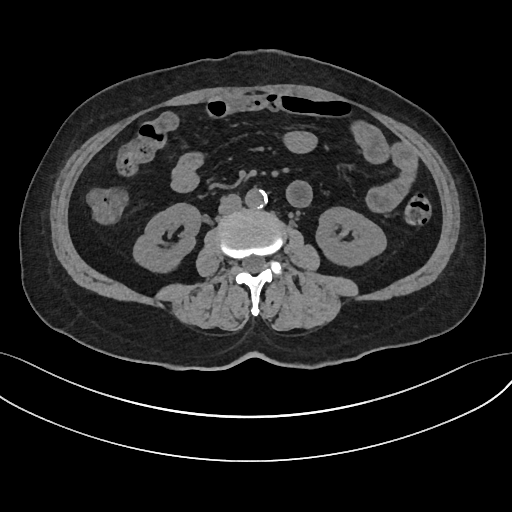

CT, abdomen/pelvis · Axial slice 111/207 · 512x512 px · scan has 15 labeled organs (counted over the whole 3D scan, not this slice; an organ is boxed only where this slice passes through it)
Organ boxes in pixel coordinates; each row gives the top-left (x1, y1) and bottom-right (x2, y2) corners.
| organ | x1 | y1 | x2 | y2 |
|---|---|---|---|---|
| right kidney | 133 | 203 | 200 | 272 |
| left kidney | 316 | 207 | 386 | 266 |
| aorta | 245 | 188 | 267 | 208 |
| inferior vena cava | 218 | 194 | 241 | 214 |